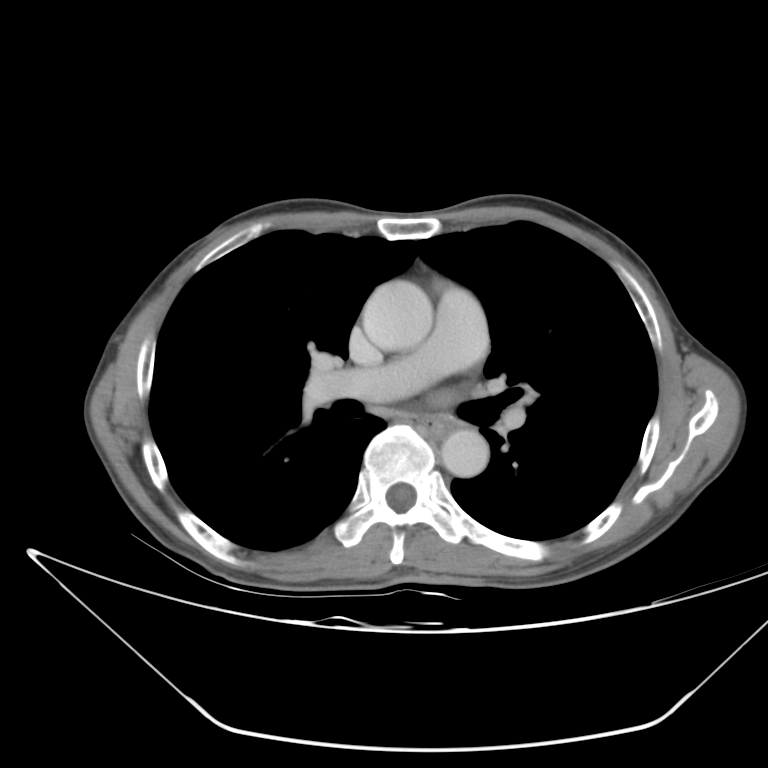 CT of the abdomen extending into the chest, slice through the chest; Axial slice 76/104; Brilliance16 scanner
On a slice this high in the chest, this dataset labels only the esophagus and the aorta, and each is boxed only where it is labeled; the heart, lungs and other chest structures are not labeled.
{"organs":{"esophagus":[417,413,455,438],"aorta":[[362,280,432,351],[438,429,488,475]]}}